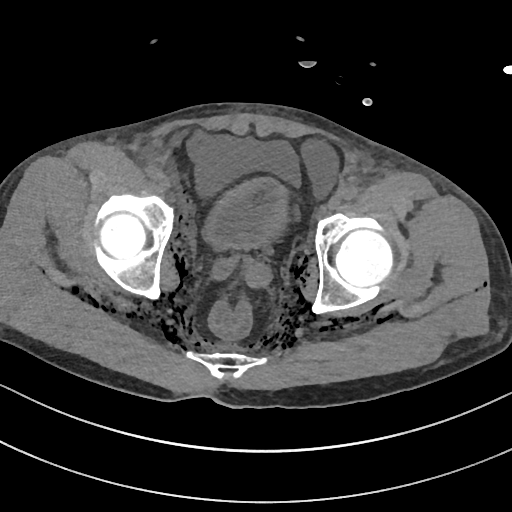
Computed tomography, abdomen — axial view
Boxes: x1 y1 x2 y2 (pixel coords, space-separated). Labeled organs on this slice: bladder at 205 178 285 249.